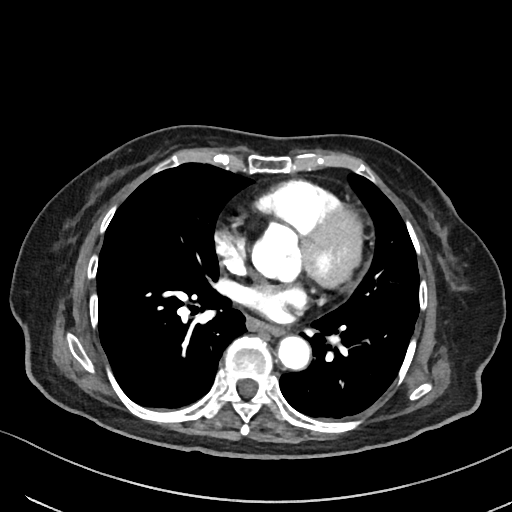 CT of the abdomen reaching into the lower chest, slice just above the liver and spleen — axial plane, index 228 — 512x512 px — 15 organs annotated in this scan (counted over the whole 3D scan, not this slice; an organ is boxed only where this slice passes through it)
The heart and lungs are never labeled in this dataset, so they have no box on this slice.
Each box given as x1,y1,x2,y2.
Organ bounding boxes:
- esophagus: x1=246, y1=318, x2=284, y2=335
- aorta: x1=278, y1=336, x2=310, y2=369